Chest-level slice from an abdominal CT that extends up into the chest · axial plane, index 113 · soft-tissue window · 512x512 px · 49-year-old male patient · 15 organs annotated in this scan (a whole-scan count: organs this slice does not pass through have no box)
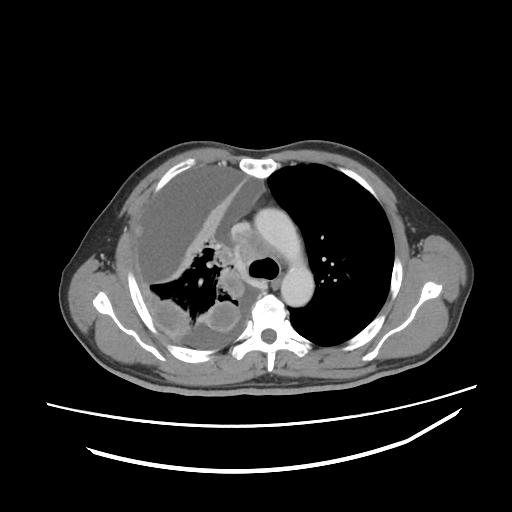

At this level of the chest no structure but the esophagus and the aorta has a label in this dataset, and those two are boxed only where they are labeled.
<organs><organ name="aorta" x1="254" y1="208" x2="314" y2="306"/><organ name="esophagus" x1="271" y1="274" x2="283" y2="290"/></organs>